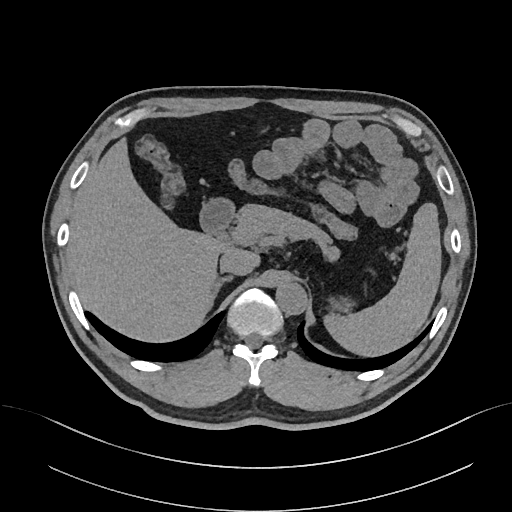
CT, abdomen/pelvis · axial view · scan has 15 labeled organs (counted over the whole 3D scan, not this slice; an organ is boxed only where this slice passes through it)
<organs><organ name="spleen" x1="326" y1="203" x2="441" y2="357"/><organ name="liver" x1="67" y1="138" x2="257" y2="343"/><organ name="stomach" x1="328" y1="295" x2="352" y2="311"/><organ name="aorta" x1="275" y1="281" x2="306" y2="314"/><organ name="inferior vena cava" x1="219" y1="248" x2="254" y2="274"/><organ name="pancreas" x1="235" y1="203" x2="342" y2="260"/><organ name="right adrenal gland" x1="210" y1="275" x2="234" y2="302"/><organ name="duodenum" x1="200" y1="200" x2="232" y2="236"/></organs>